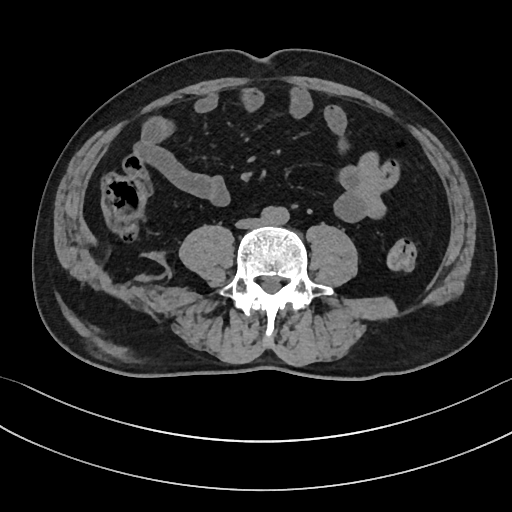

Abdominal CT · axial plane, index 101 · W/L 400/40 HU · SOMATOM Force scanner
One row per box, in pixels: columns x1 and y1 give the top-left corner, x2 and y2 the bottom-right.
| organ | x1 | y1 | x2 | y2 |
|---|---|---|---|---|
| aorta | 261 | 206 | 289 | 225 |
| inferior vena cava | 236 | 218 | 262 | 228 |